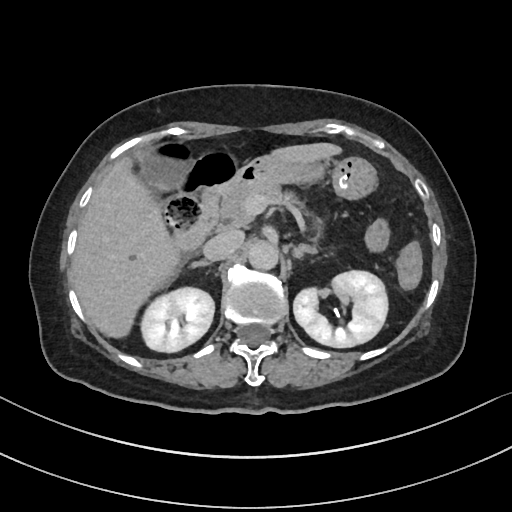
CT abdomen; axial view; SOMATOM Force scanner
Organ boxes in pixel coordinates; each row gives the top-left (x1, y1) and bottom-right (x2, y2) corners.
| organ | x1 | y1 | x2 | y2 |
|---|---|---|---|---|
| right kidney | 141 | 287 | 214 | 352 |
| left kidney | 293 | 270 | 387 | 347 |
| gall bladder | 142 | 153 | 185 | 189 |
| liver | 71 | 143 | 341 | 338 |
| stomach | 248 | 156 | 377 | 200 |
| aorta | 247 | 240 | 278 | 270 |
| inferior vena cava | 203 | 230 | 243 | 260 |
| pancreas | 219 | 182 | 323 | 249 |
| right adrenal gland | 190 | 260 | 210 | 268 |
| left adrenal gland | 293 | 245 | 314 | 258 |
| duodenum | 173 | 164 | 257 | 251 |